Computed tomography, abdomen; axial view; scan has 15 labeled organs (a whole-scan count: organs this slice does not pass through have no box)
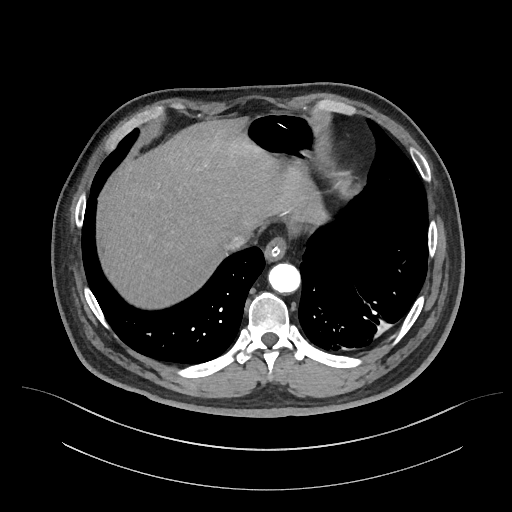

Bounding boxes as [x1, y1, x2, y2] in pixel coordinates. Labeled organs on this slice: liver at [94, 119, 333, 308], stomach at [241, 114, 337, 179], inferior vena cava at [223, 233, 247, 252], esophagus at [264, 236, 288, 260], aorta at [268, 263, 299, 292].